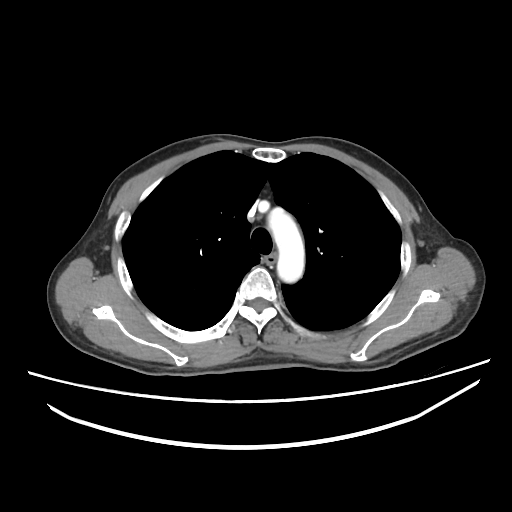

Abdominal CT reaching into the chest; this slice is in the chest — Axial slice 85/109 — 63-year-old male patient
On a slice this high in the chest, this dataset labels only the esophagus and the aorta, and each is boxed only where it is labeled; the heart, lungs and other chest structures are not labeled.
Bounding boxes in pixels, one row per box: x1, y1 is the top-left corner and x2, y2 the bottom-right.
| organ | x1 | y1 | x2 | y2 |
|---|---|---|---|---|
| esophagus | 264 | 254 | 274 | 262 |
| aorta | 267 | 208 | 304 | 282 |